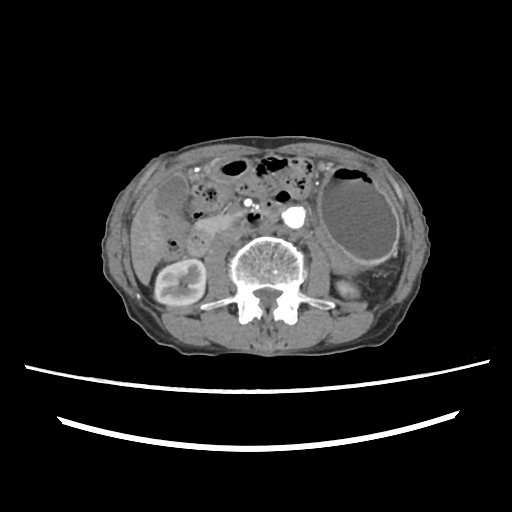 CT abdomen; axial view; 15 organs annotated in this scan (that count is for the whole scan; organs this slice misses have no box)
Coordinates as <box>x1,y1,x2,y2</box> in pixels. Labeled organs on this slice: right kidney at <box>154,259,206,306</box>, left kidney at <box>336,281,358,298</box>, gall bladder at <box>156,171,188,212</box>, liver at <box>130,191,167,284</box>, stomach at <box>318,166,397,263</box>, aorta at <box>281,204,307,231</box>, inferior vena cava at <box>216,226,247,247</box>, pancreas at <box>195,213,234,235</box>, duodenum at <box>186,159,272,256</box>.